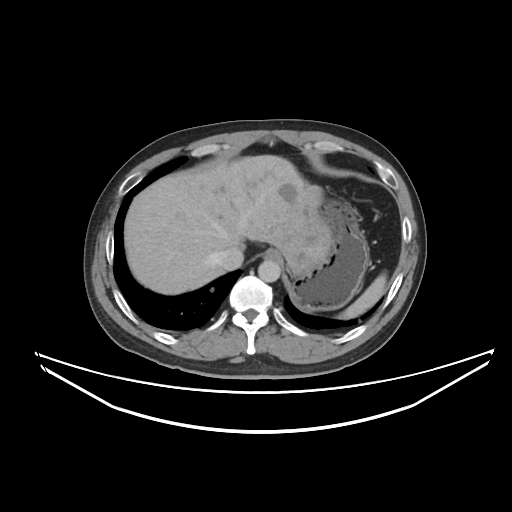

Computed tomography, abdomen; axial plane, index 82; 512x512 px; 40-year-old male patient
Box edges are left/top/right/bottom in pixels. 6 labeled organs on this slice — spleen at left=338, top=273, right=386, bottom=319; esophagus at left=267, top=249, right=281, bottom=261; liver at left=124, top=155, right=330, bottom=294; stomach at left=291, top=199, right=369, bottom=311; aorta at left=258, top=260, right=280, bottom=282; inferior vena cava at left=217, top=247, right=243, bottom=270.